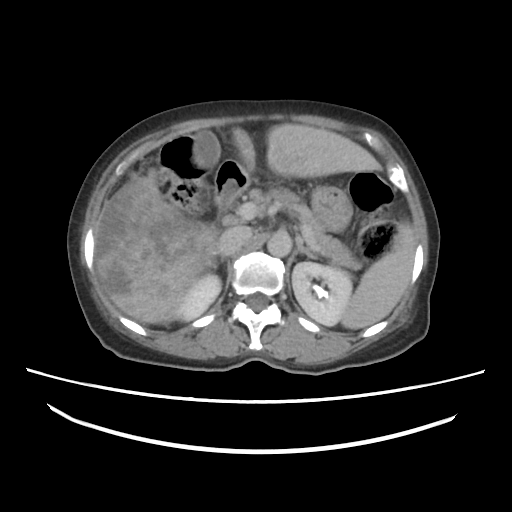
CT abdomen · axial plane, index 67 · W/L 400/40 HU · 512x512 px · 71-year-old female patient · Aquilion ONE scanner
Boxes are (x1, y1, x2, y2) in pixels. Labeled organs on this slice: spleen at (338, 221, 415, 329), right kidney at (182, 273, 221, 320), left kidney at (293, 261, 351, 328), gall bladder at (193, 132, 221, 167), liver at (95, 125, 382, 323), stomach at (312, 186, 351, 231), aorta at (268, 232, 292, 256), inferior vena cava at (220, 229, 250, 256), pancreas at (255, 188, 360, 269), right adrenal gland at (211, 257, 226, 270), left adrenal gland at (296, 237, 317, 261), duodenum at (214, 161, 250, 209).